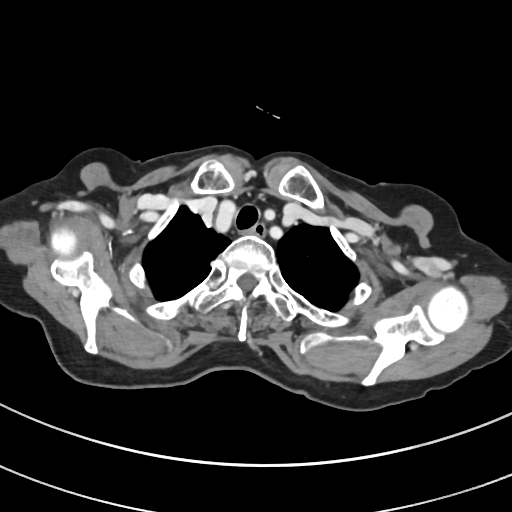

CT of the abdomen extending into the chest, slice through the chest · axial view · SOMATOM Force scanner
On a slice this high in the chest, this dataset labels only the esophagus and the aorta, and each is boxed only where it is labeled; the heart, lungs and other chest structures are not labeled.
<organs><organ name="esophagus" x1="248" y1="222" x2="265" y2="237"/></organs>